Computed tomography, abdomen · Axial slice 175/207 · W/L 400/40 HU · scan has 15 labeled organs (counted over the whole 3D scan, not this slice; an organ is boxed only where this slice passes through it)
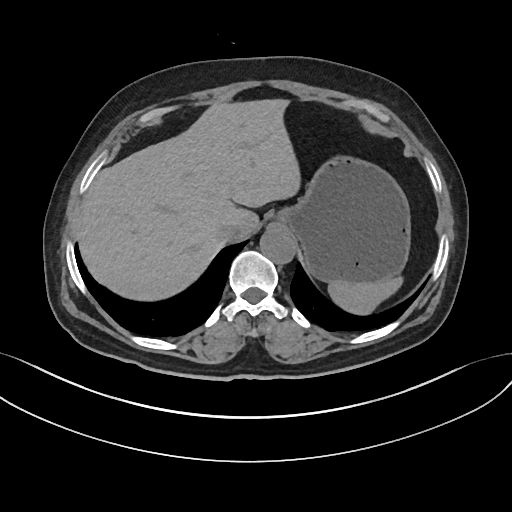 Box edges are left/top/right/bottom in pixels.
Organ bounding boxes:
- stomach: left=280, top=156, right=410, bottom=283
- liver: left=74, top=98, right=300, bottom=301
- inferior vena cava: left=216, top=222, right=240, bottom=242
- spleen: left=328, top=276, right=401, bottom=314
- aorta: left=259, top=226, right=294, bottom=262